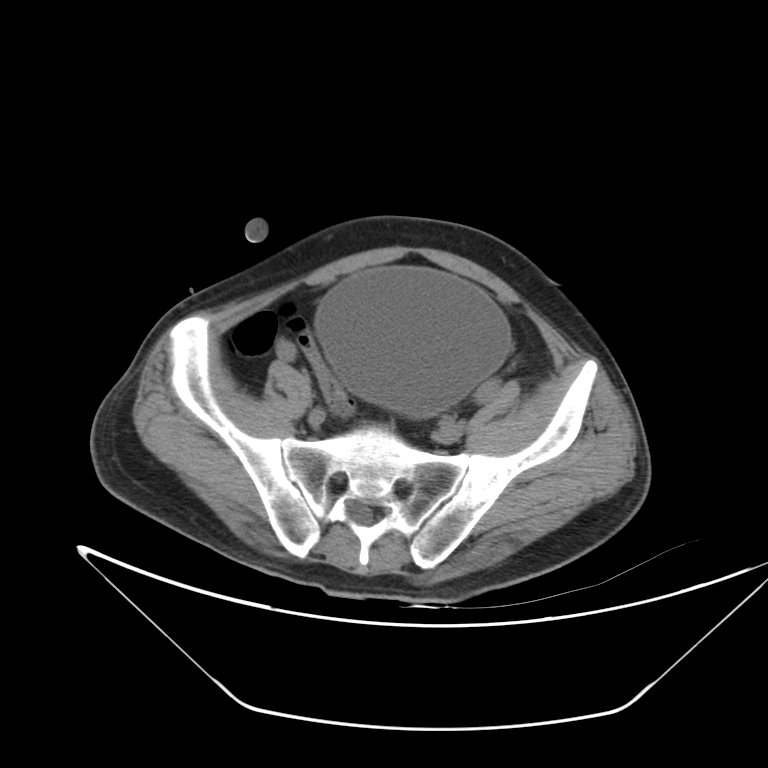
Abdominal CT · axial view · soft-tissue window · 768x768 px
Bounding boxes as [x1, y1, x2, y2] in pixel coordinates.
Organ bounding boxes:
- bladder: [317, 269, 507, 413]